Computed tomography, abdomen · axial view · W/L 400/40 HU
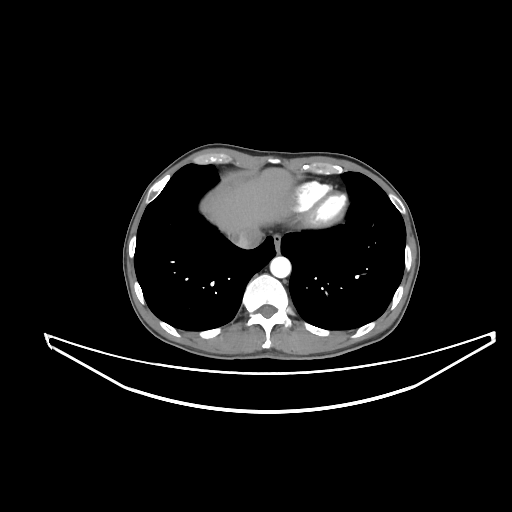

{"organs":{"esophagus":[273,234,281,250],"aorta":[270,256,291,278],"liver":[200,167,293,235],"inferior vena cava":[231,228,262,248]}}